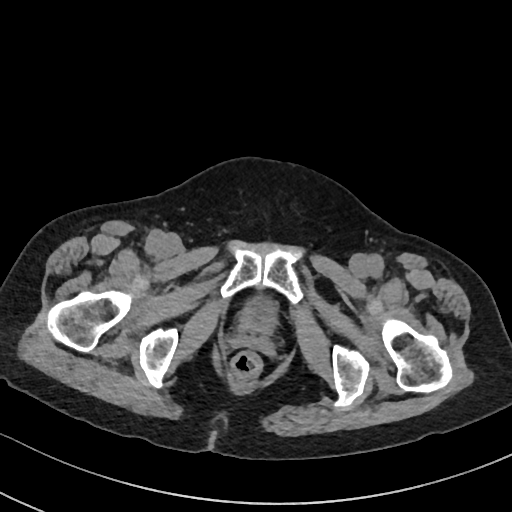

CT, abdomen/pelvis — axial plane, index 26 — W/L 400/40 HU
<organs><organ name="bladder" x1="240" y1="298" x2="273" y2="331"/></organs>